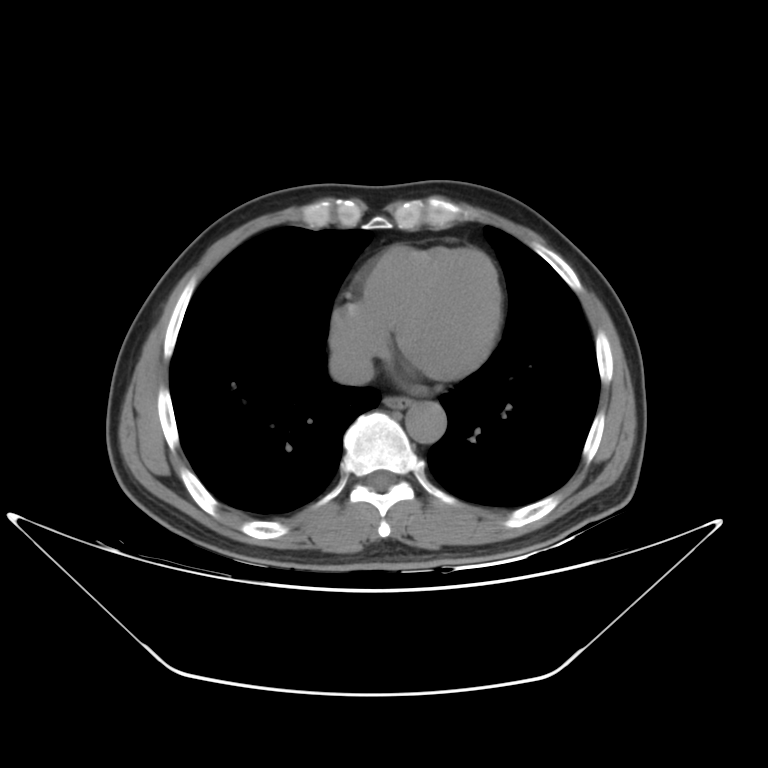 Abdominal CT; this slice is in the lower chest, just above the liver. Axial slice 101/104. soft-tissue window (W 400 / L 40)
The heart and lungs are never labeled in this dataset, so they have no box on this slice. Box edges are left/top/right/bottom in pixels. The annotated organs in this slice are: esophagus at left=385, top=398, right=410, bottom=408, aorta at left=404, top=402, right=446, bottom=442, inferior vena cava at left=328, top=344, right=371, bottom=385.